CT of the abdomen reaching into the lower chest, slice just above the liver and spleen — axial view — 512x512 px — 54-year-old male patient — Aquilion ONE scanner — 15 organs annotated in this scan (that count is for the whole scan; organs this slice misses have no box)
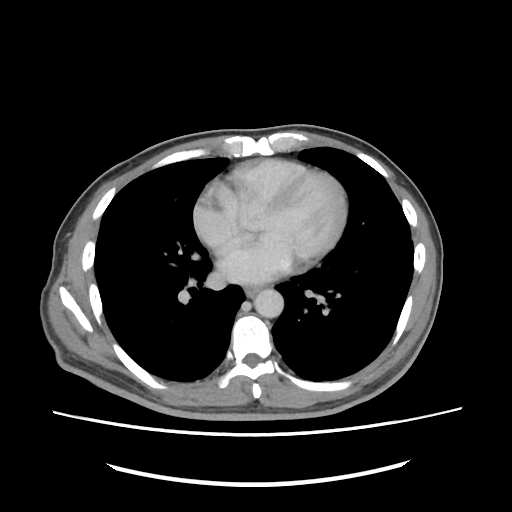 Of the structures in the chest, this dataset labels only the esophagus, the aorta and the inferior vena cava; the heart and lungs have no label.
Organ boxes in pixel coordinates; each row gives the top-left (x1, y1) and bottom-right (x2, y2) corners.
| organ | x1 | y1 | x2 | y2 |
|---|---|---|---|---|
| esophagus | 245 | 285 | 261 | 297 |
| aorta | 254 | 289 | 283 | 317 |